CT, abdomen/pelvis. axial view. abdomen soft-tissue window. 15 organs annotated in this scan (that count is for the whole scan; organs this slice misses have no box)
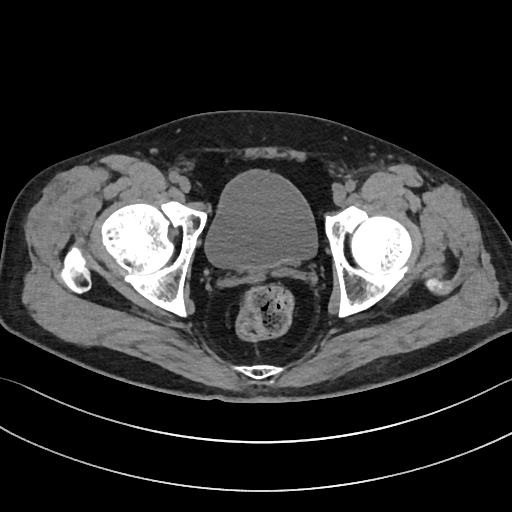

{"organs":{"bladder":[206,172,317,269]}}